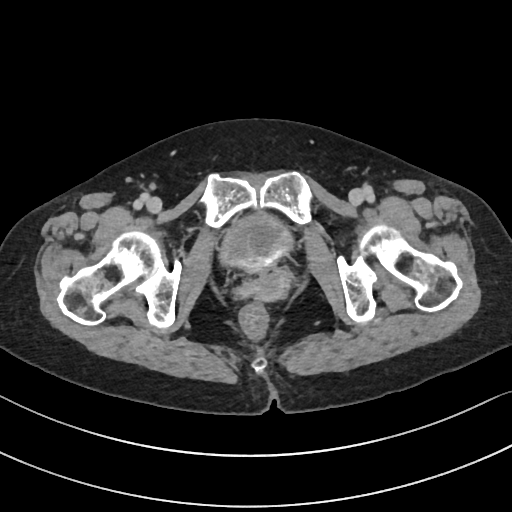 Abdominal CT; axial view; 15 organs annotated in this scan (counted over the whole 3D scan, not this slice; an organ is boxed only where this slice passes through it)
Each box given as x1,y1,x2,y2.
prostate/uterus: x1=253, y1=268, x2=289, y2=301
bladder: x1=221, y1=214, x2=293, y2=270